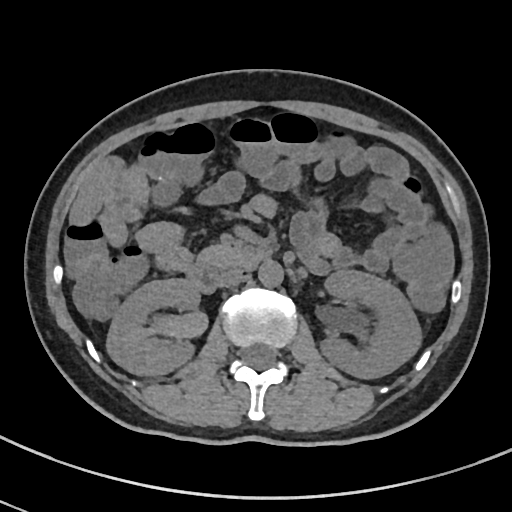 CT, abdomen/pelvis — axial view
Boxes: x1:y1:x2:y2 in pixels.
Organ bounding boxes:
- pancreas: 198:245:246:271
- inferior vena cava: 218:269:243:287
- left kidney: 320:270:421:378
- right kidney: 106:279:199:374
- duodenum: 187:249:266:292
- aorta: 259:260:283:287